CT abdomen — axial view — W/L 400/40 HU
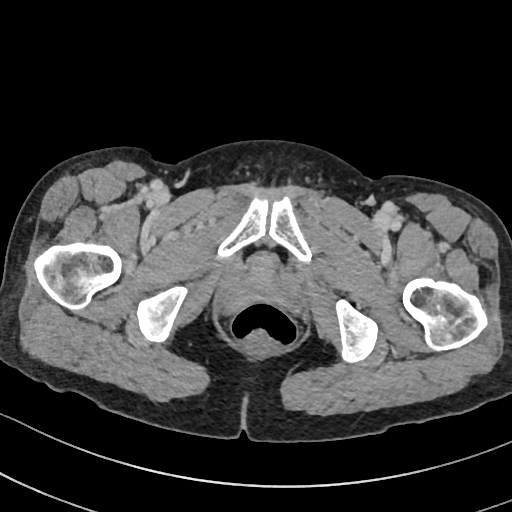 {"organs":{"bladder":[247,253,277,276]}}